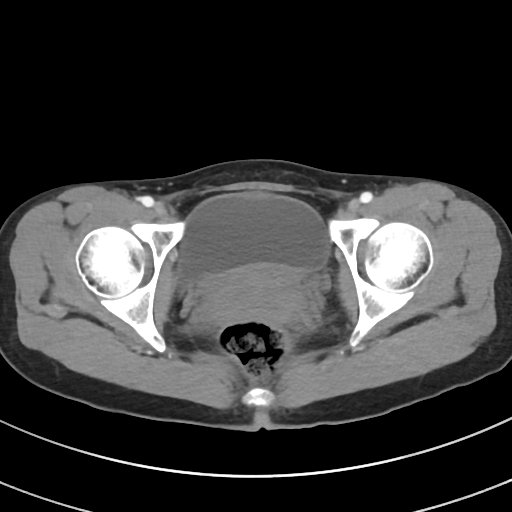 CT abdomen. axial view. soft-tissue window. 512x512 px. SOMATOM Force scanner
<organs><organ name="bladder" x1="178" y1="193" x2="329" y2="284"/><organ name="prostate/uterus" x1="204" y1="264" x2="304" y2="323"/></organs>